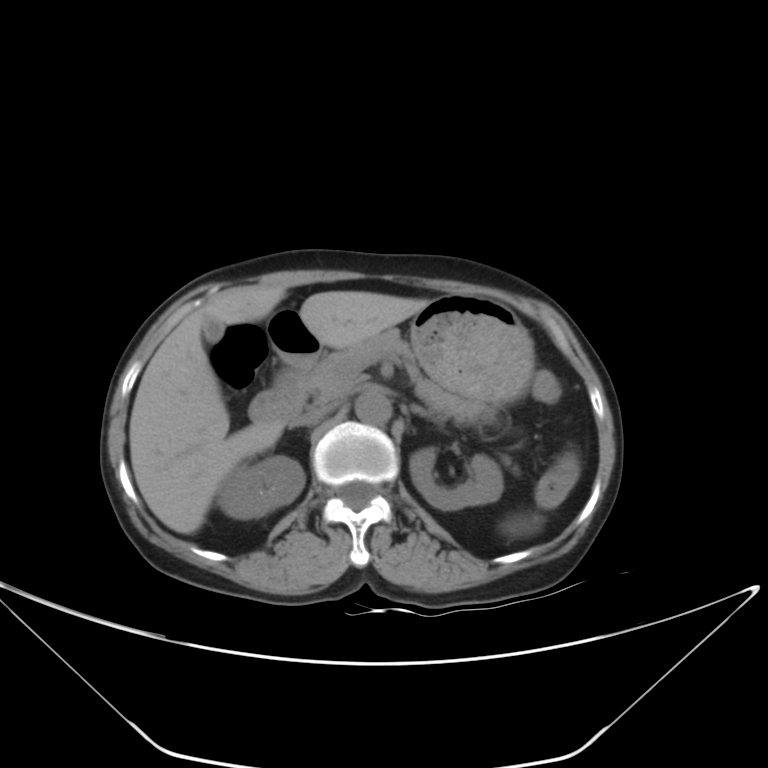
CT abdomen; axial view; abdomen soft-tissue window; acquired on Brilliance16
<organs><organ name="duodenum" x1="249" y1="364" x2="309" y2="423"/><organ name="inferior vena cava" x1="290" y1="405" x2="333" y2="426"/><organ name="right kidney" x1="217" y1="455" x2="304" y2="519"/><organ name="spleen" x1="503" y1="516" x2="541" y2="535"/><organ name="pancreas" x1="303" y1="329" x2="492" y2="423"/><organ name="liver" x1="128" y1="284" x2="427" y2="534"/><organ name="left adrenal gland" x1="410" y1="404" x2="448" y2="423"/><organ name="stomach" x1="267" y1="294" x2="534" y2="406"/><organ name="left kidney" x1="410" y1="447" x2="503" y2="511"/><organ name="gall bladder" x1="201" y1="316" x2="223" y2="343"/><organ name="aorta" x1="356" y1="391" x2="391" y2="425"/></organs>